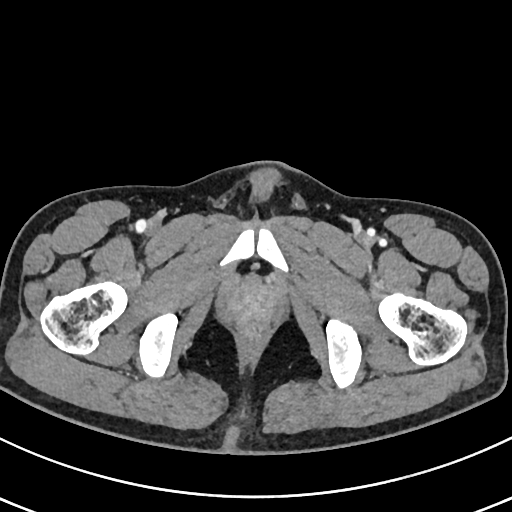 Abdominal CT — Axial slice 9/218 — SOMATOM Force scanner — scan has 15 labeled organs (counted over the whole 3D scan, not this slice; an organ is boxed only where this slice passes through it)
Box edges are left/top/right/bottom in pixels. 1 labeled organ on this slice — prostate/uterus at left=232, top=286, right=275, bottom=318.